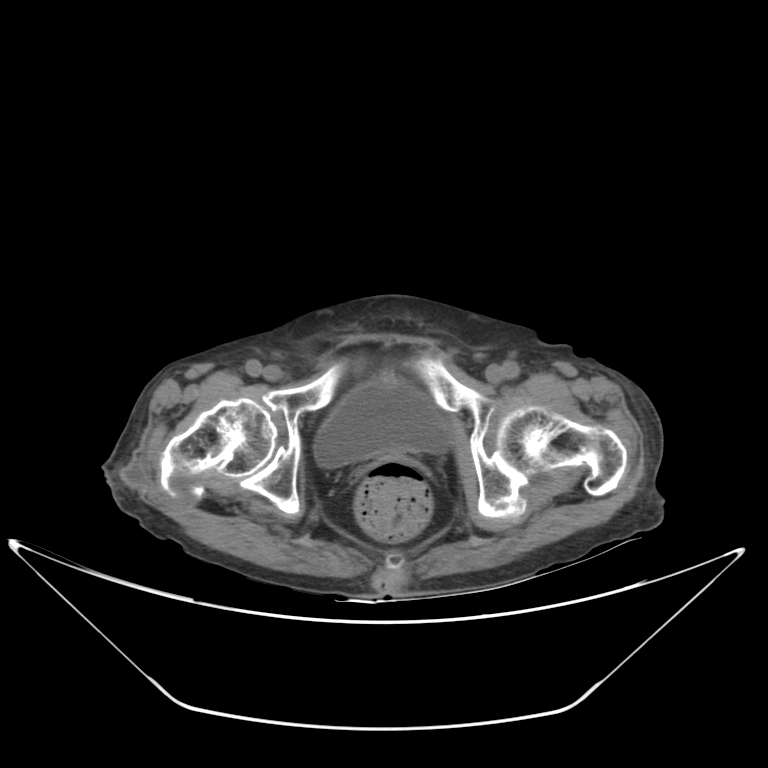

CT, abdomen/pelvis — Axial slice 13/79
Boxes are (x1, y1, x2, y2) in pixels.
Organ bounding boxes:
- bladder: (314, 378, 449, 467)